CT abdomen. Axial slice 11/131. soft-tissue window
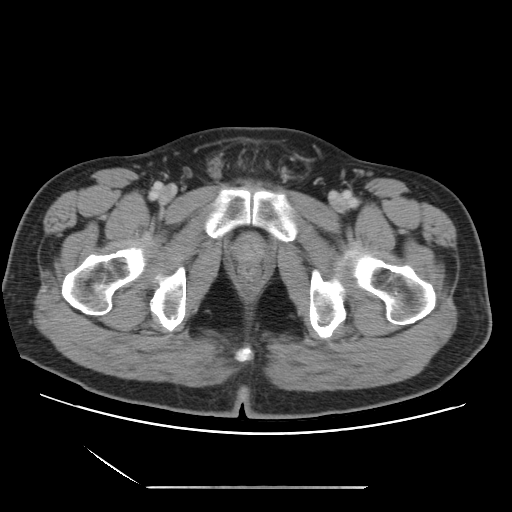
Each box given as x1,y1,x2,y2.
Organ bounding boxes:
- prostate/uterus: x1=233, y1=233, x2=264, y2=264